CT abdomen — axial plane, index 8 — W/L 400/40 HU
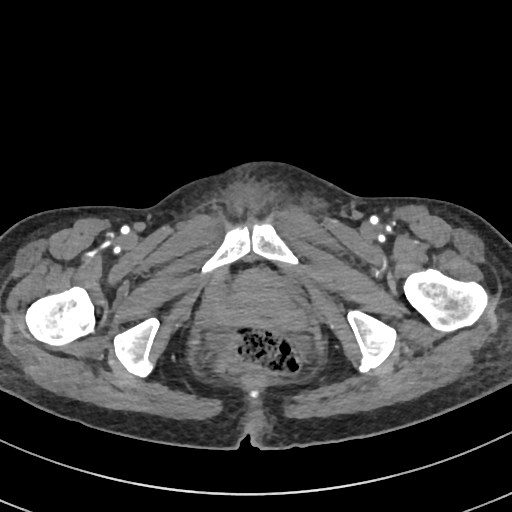

Each box given as x1,y1,x2,y2. The annotated organs in this slice are: bladder at x1=231, y1=269, x2=302, y2=293.